Computed tomography, abdomen · axial view · 49-year-old female patient
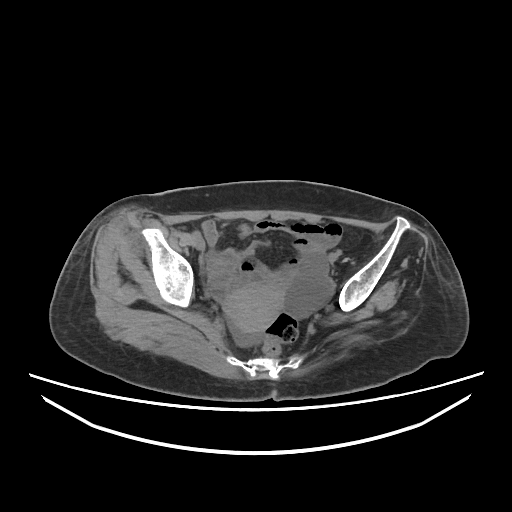 <organs><organ name="prostate/uterus" x1="223" y1="281" x2="284" y2="334"/></organs>